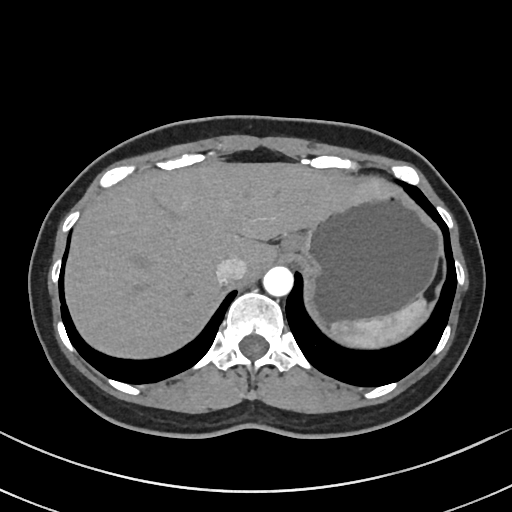 Computed tomography, abdomen; axial view; 512x512 px; SOMATOM Force scanner
Bounding boxes in pixels, one row per box: x1, y1 is the top-left corner and x2, y2 the bottom-right.
| organ | x1 | y1 | x2 | y2 |
|---|---|---|---|---|
| spleen | 331 | 298 | 427 | 347 |
| liver | 66 | 162 | 393 | 355 |
| stomach | 280 | 193 | 439 | 322 |
| aorta | 263 | 266 | 293 | 296 |
| inferior vena cava | 216 | 257 | 246 | 282 |